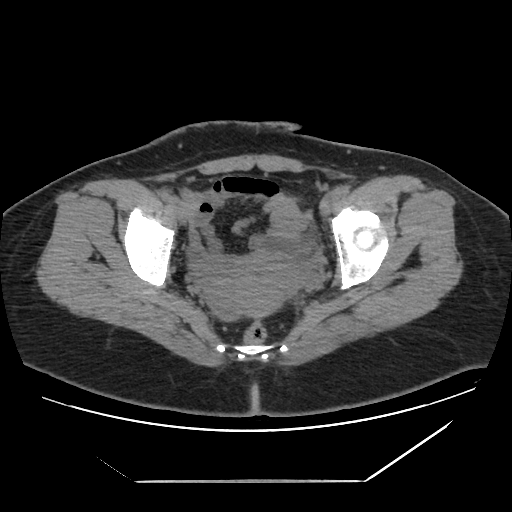 Abdominal CT. Axial slice 49/345. scan has 15 labeled organs (a whole-scan count: organs this slice does not pass through have no box)
Boxes: x1 y1 x2 y2 (pixel coords, space-separated).
Organ bounding boxes:
- prostate/uterus: 213 254 301 317